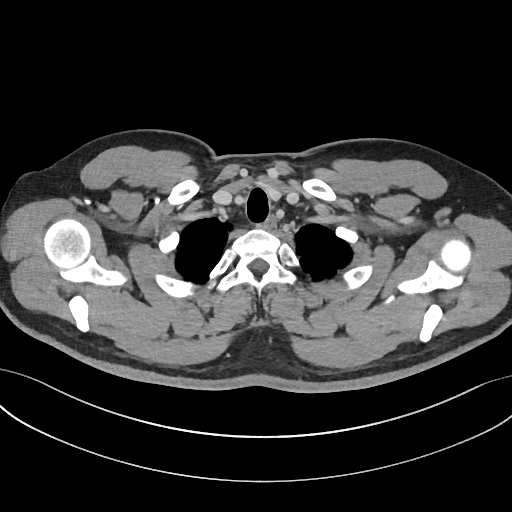 Chest-level CT slice, above the liver and spleen. Axial slice 335/345. soft-tissue window, W/L 400/40. SOMATOM Force scanner
On a slice this high in the chest, this dataset labels only the esophagus and the aorta, and each is boxed only where it is labeled; the heart, lungs and other chest structures are not labeled.
Coordinates as <box>x1,y1,x2,y2</box> in pixels.
esophagus: <box>264,215,274,229</box>